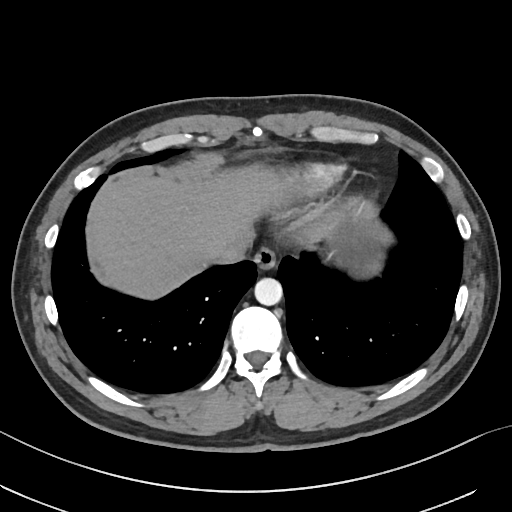 CT abdomen — Axial slice 197/307 — scan has 15 labeled organs (a whole-scan count: organs this slice does not pass through have no box)
{"organs":{"liver":[94,165,351,298],"esophagus":[254,248,276,268],"aorta":[254,277,282,305],"inferior vena cava":[208,241,244,264],"stomach":[324,202,387,271]}}